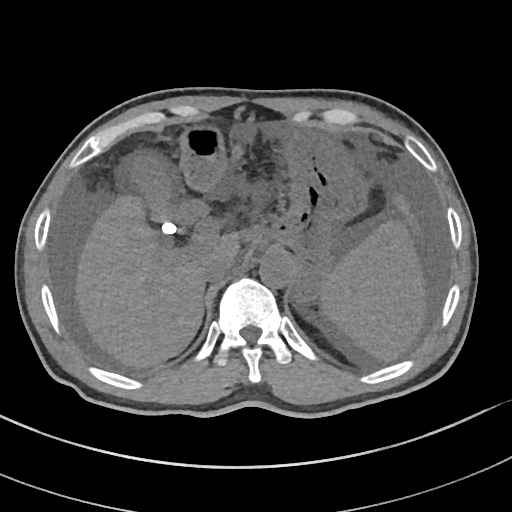

Abdominal CT. axial view. 512x512 px. 15 organs annotated in this scan (counted over the whole 3D scan, not this slice; an organ is boxed only where this slice passes through it)
One row per box, in pixels: columns x1 and y1 give the top-left corner, x2 and y2 the bottom-right.
| organ | x1 | y1 | x2 | y2 |
|---|---|---|---|---|
| gall bladder | 125 | 153 | 206 | 233 |
| stomach | 180 | 126 | 368 | 298 |
| spleen | 320 | 220 | 425 | 361 |
| aorta | 259 | 253 | 293 | 288 |
| inferior vena cava | 202 | 254 | 234 | 282 |
| liver | 75 | 194 | 421 | 367 |